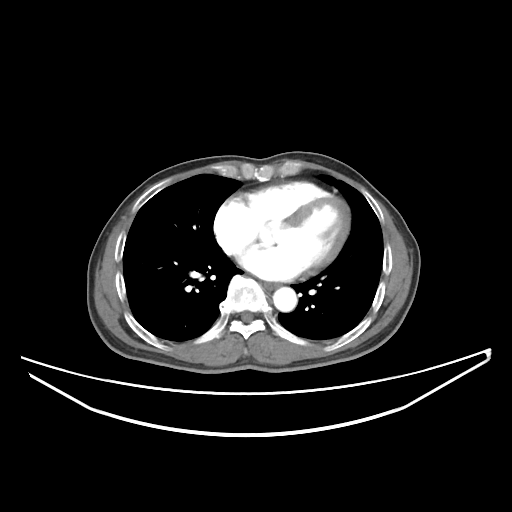

Lower-chest slice from an abdominal CT, just above the liver and spleen · axial plane, index 86 · soft-tissue window, W/L 400/40 · 512x512 px · 62-year-old male patient
No part of the heart or lungs is labeled in this dataset, so neither has a box here.
{"organs":{"aorta":[273,287,297,311],"esophagus":[264,282,278,290]}}